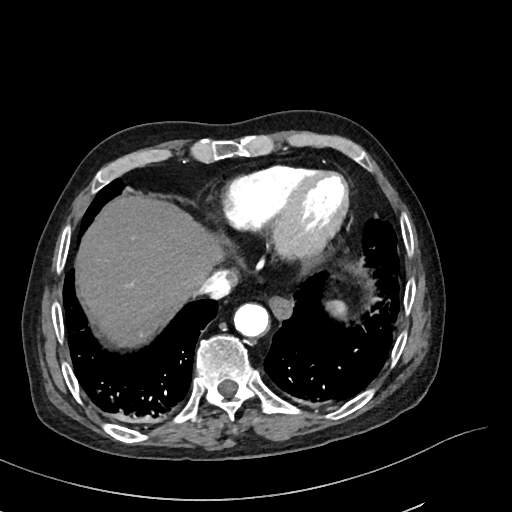
Abdominal CT — axial view — 512x512 px
Coordinates as <box>x1,y1,x2,y2</box> in pixels.
Organ bounding boxes:
- spleen: <box>327,300,346,318</box>
- esophagus: <box>271,298,290,318</box>
- liver: <box>76,198,222,341</box>
- aorta: <box>234,303,269,337</box>
- inferior vena cava: <box>197,269,235,297</box>